Lower-chest slice from an abdominal CT, just above the liver and spleen. Axial slice 206/291. soft-tissue window
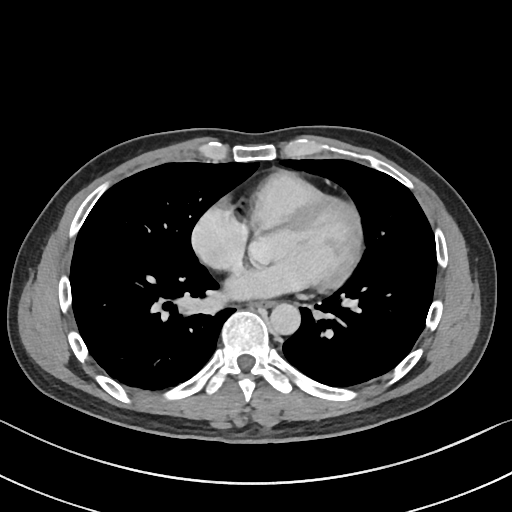

The heart and lungs are never labeled in this dataset, so they have no box on this slice.
<organs><organ name="esophagus" x1="252" y1="300" x2="274" y2="306"/><organ name="aorta" x1="270" y1="302" x2="300" y2="334"/></organs>